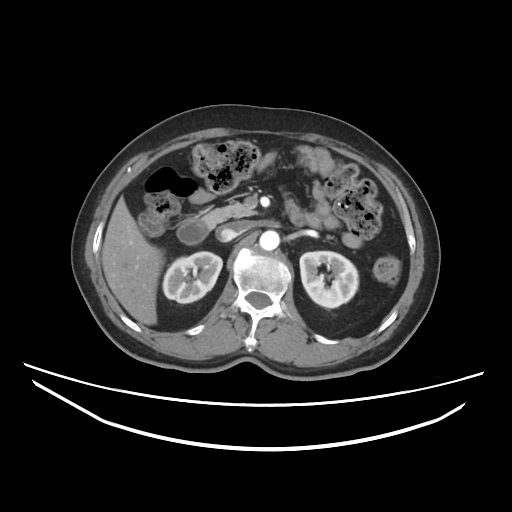
Computed tomography, abdomen; axial view
Coordinates as <box>x1,y1,x2,y2</box> in pixels.
right kidney: <box>163,251,222,303</box>
pancreas: <box>202,202,256,227</box>
liver: <box>101,196,164,325</box>
left kidney: <box>300,251,358,307</box>
aorta: <box>259,230,279,250</box>
duodenum: <box>177,219,210,244</box>
inferior vena cava: <box>216,220,248,241</box>